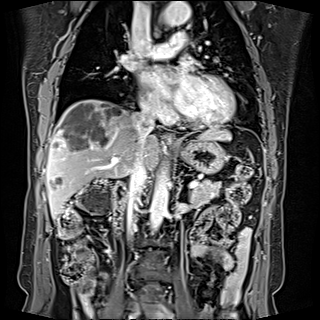
Abdominal MR. Coronal slice 31/60. 320x320 px
Each box given as x1,y1,x2,y2.
Organ bounding boxes:
- spleen: x1=201, y1=131, x2=221, y2=138
- esophagus: x1=164, y1=133, x2=176, y2=145
- liver: x1=46, y1=99, x2=232, y2=218
- stomach: x1=177, y1=137, x2=226, y2=174
- aorta: x1=150, y1=169, x2=170, y2=230
- aorta: x1=161, y1=1, x2=190, y2=25
- inferior vena cava: x1=127, y1=107, x2=157, y2=236
- pancreas: x1=191, y1=180, x2=222, y2=207
- duodenum: x1=113, y1=182, x2=126, y2=229